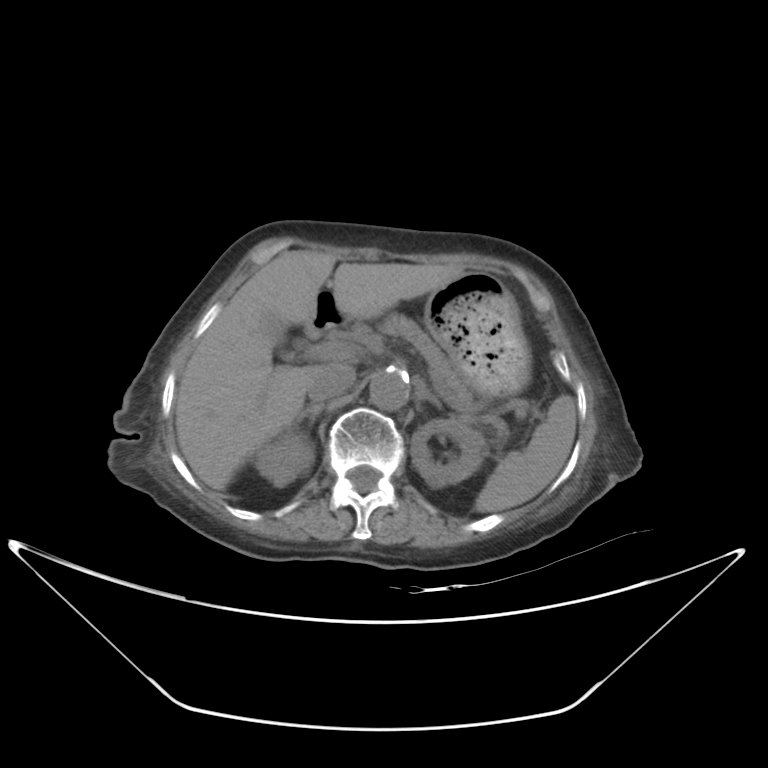 Abdominal CT; axial view; 768x768 px; female patient aged 90 or older; Brilliance16 scanner; 15 organs annotated in this scan (that count is for the whole scan; organs this slice misses have no box)
Each box given as x1,y1,x2,y2.
Organ bounding boxes:
- spleen: x1=474, y1=395, x2=576, y2=513
- left adrenal gland: x1=413, y1=378, x2=441, y2=408
- aorta: x1=369, y1=369, x2=408, y2=409
- duodenum: x1=307, y1=288, x2=343, y2=336
- liver: x1=175, y1=250, x2=463, y2=489
- inferior vena cava: x1=308, y1=366, x2=355, y2=401
- left kidney: x1=410, y1=417, x2=484, y2=487
- stomach: x1=423, y1=271, x2=531, y2=400
- right kidney: x1=254, y1=428, x2=314, y2=485
- pancreas: x1=381, y1=314, x2=482, y2=416
- gall bladder: x1=268, y1=320, x2=285, y2=351
- right adrenal gland: x1=297, y1=402, x2=324, y2=426